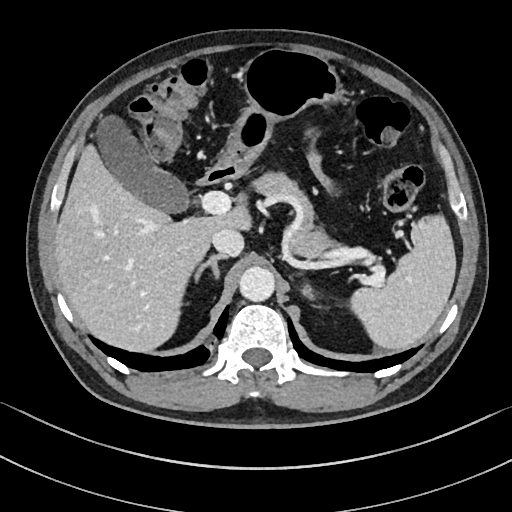 Computed tomography, abdomen — axial plane, index 170 — 512x512 px
Organ boxes in pixel coordinates; each row gives the top-left (x1, y1) and bottom-right (x2, y2) corners.
| organ | x1 | y1 | x2 | y2 |
|---|---|---|---|---|
| spleen | 303 | 214 | 456 | 349 |
| gall bladder | 98 | 116 | 188 | 212 |
| liver | 54 | 144 | 251 | 351 |
| stomach | 222 | 49 | 343 | 170 |
| aorta | 239 | 266 | 274 | 301 |
| inferior vena cava | 211 | 228 | 244 | 256 |
| pancreas | 254 | 172 | 337 | 256 |
| right adrenal gland | 194 | 254 | 227 | 282 |
| left adrenal gland | 302 | 291 | 316 | 299 |
| duodenum | 199 | 158 | 244 | 184 |